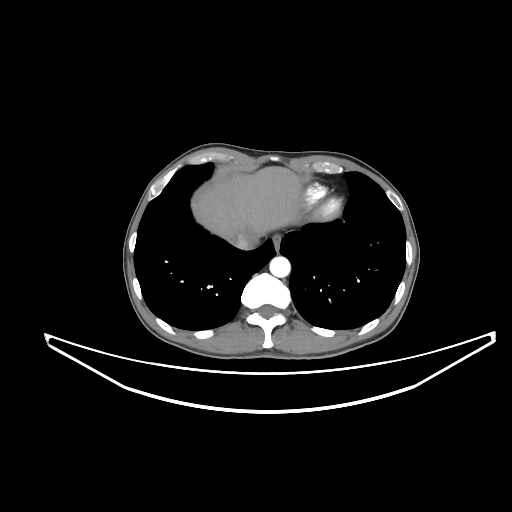 Abdominal CT — axial view — 52-year-old male patient
Bounding boxes in pixels, one row per box: x1, y1 is the top-left corner and x2, y2 the bottom-right.
| organ | x1 | y1 | x2 | y2 |
|---|---|---|---|---|
| inferior vena cava | 229 | 229 | 260 | 249 |
| esophagus | 272 | 234 | 281 | 249 |
| liver | 191 | 166 | 300 | 239 |
| aorta | 269 | 256 | 290 | 277 |